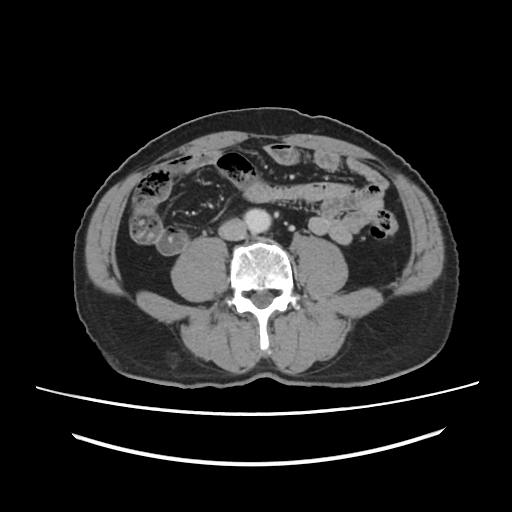

Computed tomography, abdomen — axial view — soft-tissue window (W 400 / L 40)
Boxes: x1 y1 x2 y2 (pixel coords, space-separated).
aorta: 244 208 271 233
inferior vena cava: 218 219 246 240